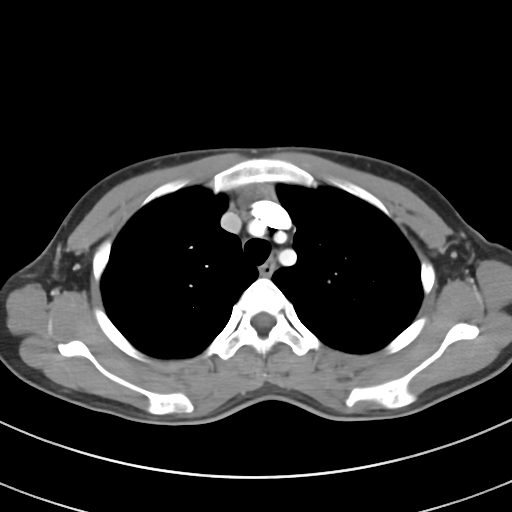 Abdominal CT reaching into the chest; this slice is in the chest · Axial slice 108/121 · soft-tissue window (W 400 / L 40)
On a slice this high in the chest, this dataset labels only the esophagus and the aorta, and each is boxed only where it is labeled; the heart, lungs and other chest structures are not labeled.
Bounding boxes as [x1, y1, x2, y2] in pixel coordinates.
esophagus: [259, 259, 275, 275]